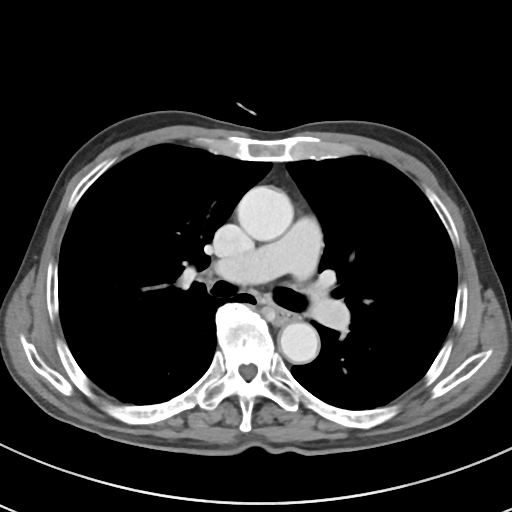
Abdominal CT reaching into the chest; this slice is in the chest. axial view. soft-tissue window (W 400 / L 40). acquired on SOMATOM Force
On a slice this high in the chest, this dataset labels only the esophagus and the aorta, and each is boxed only where it is labeled; the heart, lungs and other chest structures are not labeled.
One row per box, in pixels: columns x1 and y1 give the top-left corner, x2 and y2 the bottom-right.
| organ | x1 | y1 | x2 | y2 |
|---|---|---|---|---|
| esophagus | 275 | 309 | 295 | 324 |
| aorta | 237 | 186 | 293 | 240 |
| aorta | 279 | 322 | 319 | 363 |